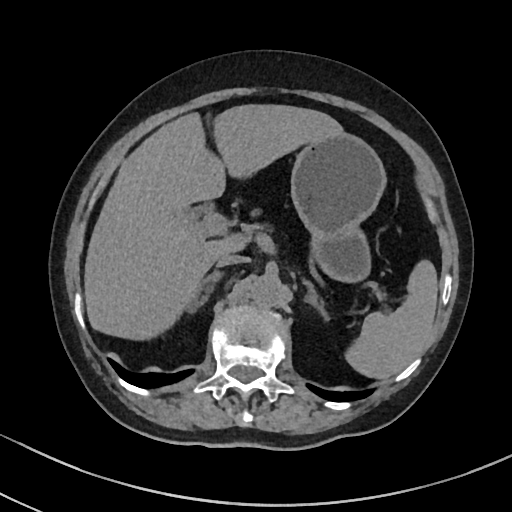 CT, abdomen/pelvis. axial view. 512x512 px
<organs><organ name="spleen" x1="345" y1="260" x2="438" y2="379"/><organ name="liver" x1="84" y1="104" x2="344" y2="340"/><organ name="stomach" x1="290" y1="133" x2="386" y2="282"/><organ name="aorta" x1="251" y1="274" x2="284" y2="308"/><organ name="inferior vena cava" x1="215" y1="253" x2="244" y2="267"/><organ name="right adrenal gland" x1="187" y1="271" x2="223" y2="310"/><organ name="left adrenal gland" x1="303" y1="279" x2="328" y2="320"/></organs>